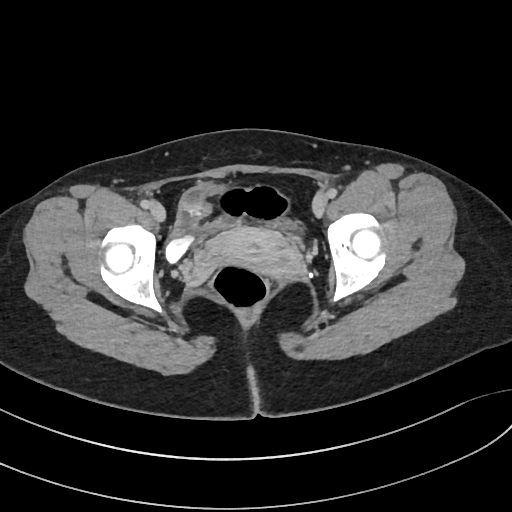 CT, abdomen/pelvis — axial view — 512x512 px
Box edges are left/top/right/bottom in pixels. 2 labeled organs on this slice — bladder at left=166, top=182, right=301, bottom=262; prostate/uterus at left=208, top=226, right=304, bottom=282.